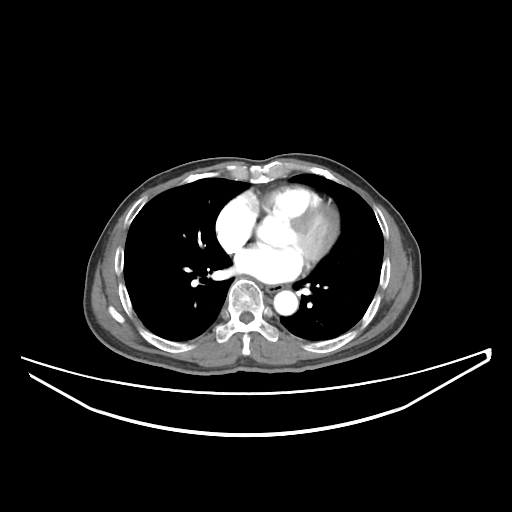
Lower-chest slice from an abdominal CT, just above the liver and spleen · axial view · soft-tissue window (W 400 / L 40) · 62-year-old male patient
Of the structures in the chest, this dataset labels only the esophagus, the aorta and the inferior vena cava; the heart and lungs have no label.
{"organs":{"esophagus":[265,285,281,293],"aorta":[273,290,298,315]}}